CT abdomen. Axial slice 68/134. soft-tissue window. 52-year-old male patient
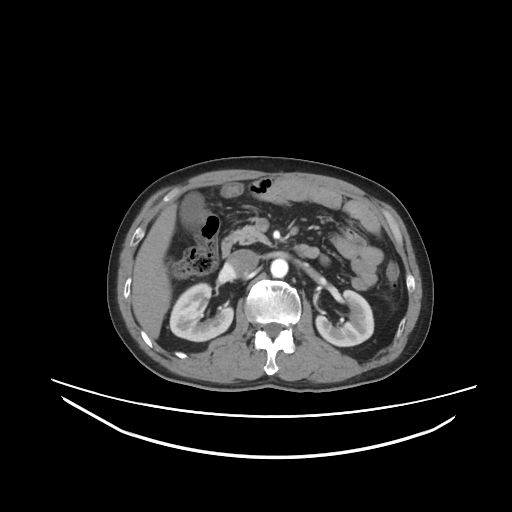
Bounding boxes as [x1, y1, x2, y2] in pixel coordinates.
Organ bounding boxes:
- right kidney: [170, 283, 233, 341]
- liver: [131, 203, 177, 339]
- aorta: [270, 258, 288, 277]
- inferior vena cava: [226, 249, 258, 276]
- pancreas: [229, 225, 268, 244]
- left kidney: [316, 290, 373, 346]
- duodenum: [221, 237, 319, 258]
- gall bladder: [179, 192, 203, 226]